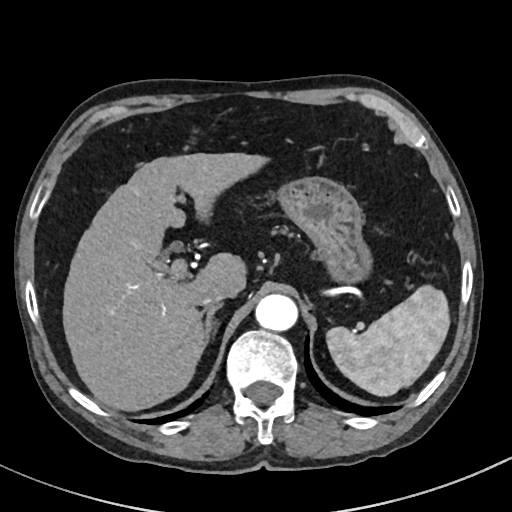

CT, abdomen/pelvis. axial view. W/L 400/40 HU. 512x512 px. acquired on SOMATOM Force. 15 organs annotated in this scan (counted over the whole 3D scan, not this slice; an organ is boxed only where this slice passes through it)
Box edges are left/top/right/bottom in pixels. The annotated organs in this slice are: spleen at left=326, top=285, right=450, bottom=396, liver at left=62, top=153, right=268, bottom=411, stomach at left=276, top=176, right=372, bottom=283, aorta at left=255, top=294, right=297, bottom=331, inferior vena cava at left=199, top=286, right=236, bottom=308, right adrenal gland at left=204, top=304, right=221, bottom=345.